Computed tomography, abdomen; axial view; W/L 400/40 HU; Brilliance16 scanner
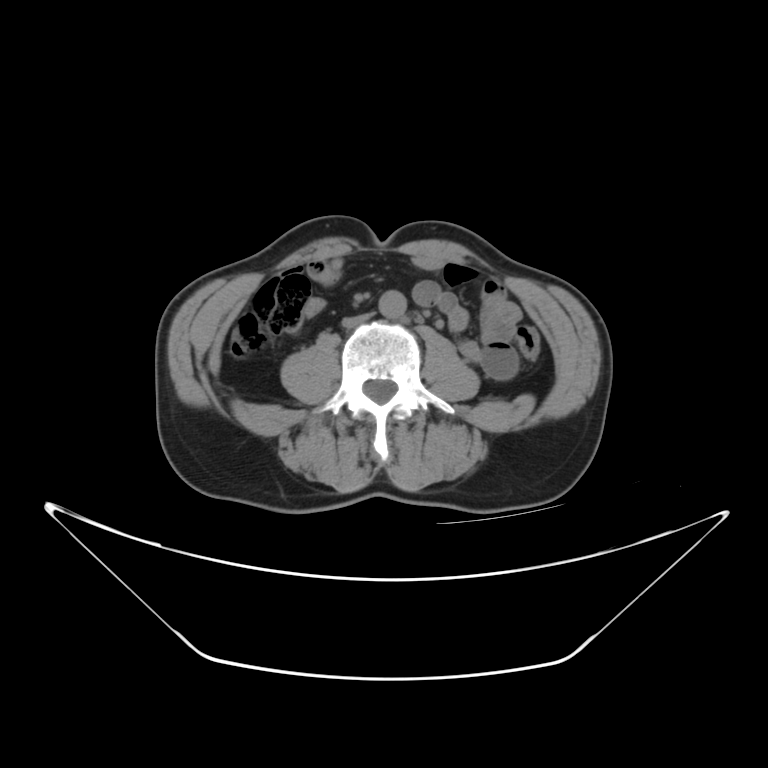 {"organs":{"aorta":[378,289,404,317],"inferior vena cava":[343,312,374,326]}}